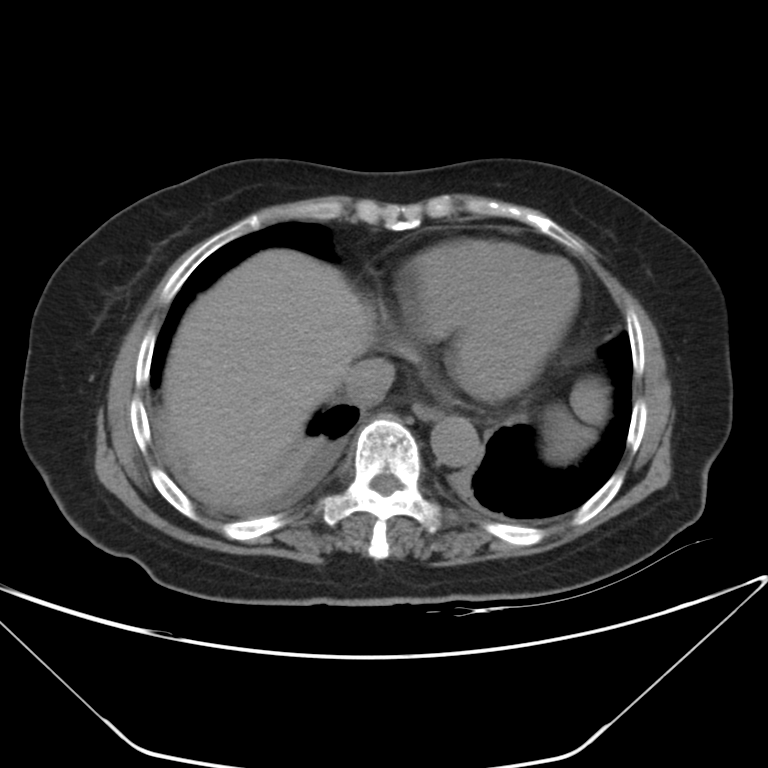

CT, abdomen/pelvis · Axial slice 84/94 · soft-tissue window (W 400 / L 40) · scan has 14 labeled organs (counted over the whole 3D scan, not this slice; an organ is boxed only where this slice passes through it)
<organs><organ name="inferior vena cava" x1="344" y1="357" x2="395" y2="405"/><organ name="spleen" x1="543" y1="377" x2="608" y2="463"/><organ name="aorta" x1="431" y1="416" x2="481" y2="467"/><organ name="esophagus" x1="413" y1="403" x2="442" y2="420"/><organ name="liver" x1="160" y1="249" x2="374" y2="498"/></organs>